CT abdomen. axial view. soft-tissue window. 512x512 px. 15 organs annotated in this scan (a whole-scan count: organs this slice does not pass through have no box)
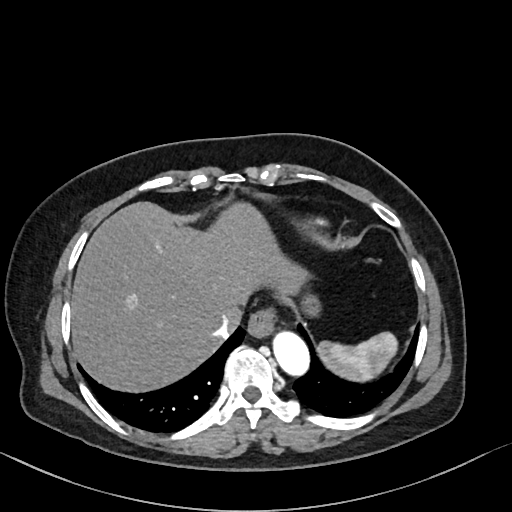

<organs><organ name="spleen" x1="318" y1="332" x2="397" y2="381"/><organ name="esophagus" x1="248" y1="309" x2="277" y2="337"/><organ name="liver" x1="71" y1="201" x2="305" y2="391"/><organ name="stomach" x1="301" y1="294" x2="320" y2="315"/><organ name="aorta" x1="273" y1="331" x2="309" y2="375"/><organ name="inferior vena cava" x1="212" y1="311" x2="240" y2="339"/></organs>